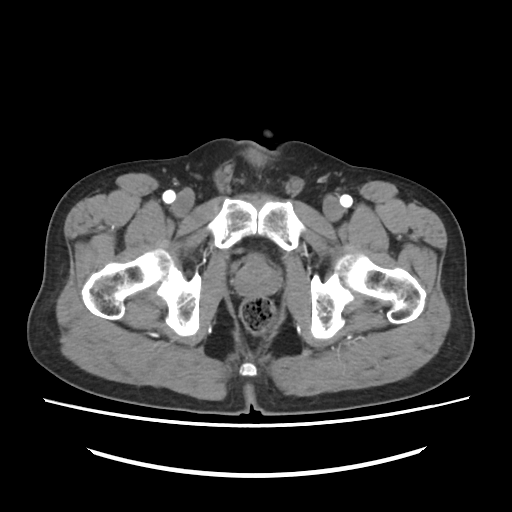 CT abdomen. axial view. W/L 400/40 HU. 512x512 px
<organs><organ name="prostate/uterus" x1="235" y1="257" x2="279" y2="297"/></organs>